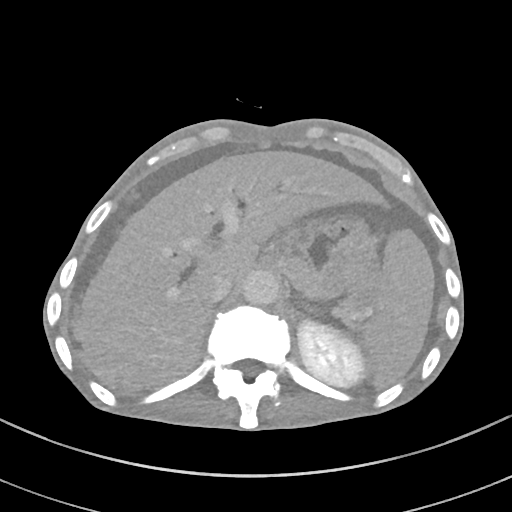
CT abdomen — axial view — W/L 400/40 HU
Boxes: x1:y1:x2:y2 in pixels.
spleen: 360:229:434:387
left kidney: 297:321:364:387
liver: 76:151:390:388
stomach: 275:213:373:298
aorta: 242:270:279:305
inferior vena cava: 209:274:234:302